MRI, abdomen. axial view. percentile-normalized. 576x468 px
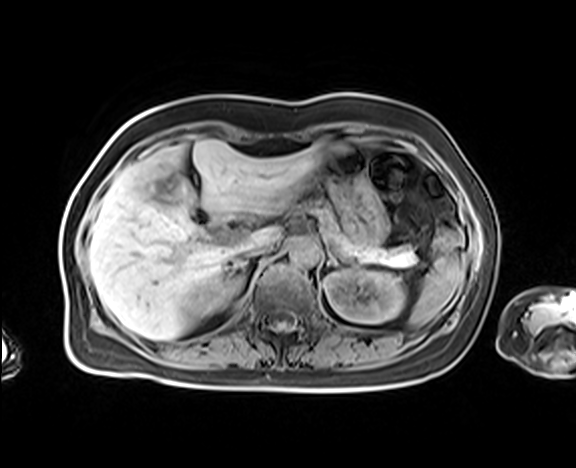 <organs><organ name="spleen" x1="409" y1="252" x2="464" y2="326"/><organ name="right kidney" x1="200" y1="275" x2="241" y2="312"/><organ name="left kidney" x1="324" y1="269" x2="405" y2="323"/><organ name="liver" x1="89" y1="139" x2="341" y2="339"/><organ name="stomach" x1="318" y1="147" x2="388" y2="246"/><organ name="aorta" x1="289" y1="237" x2="319" y2="266"/><organ name="inferior vena cava" x1="233" y1="243" x2="271" y2="261"/><organ name="pancreas" x1="306" y1="201" x2="416" y2="264"/><organ name="right adrenal gland" x1="232" y1="261" x2="246" y2="270"/></organs>